CT, abdomen/pelvis; axial view; 512x512 px
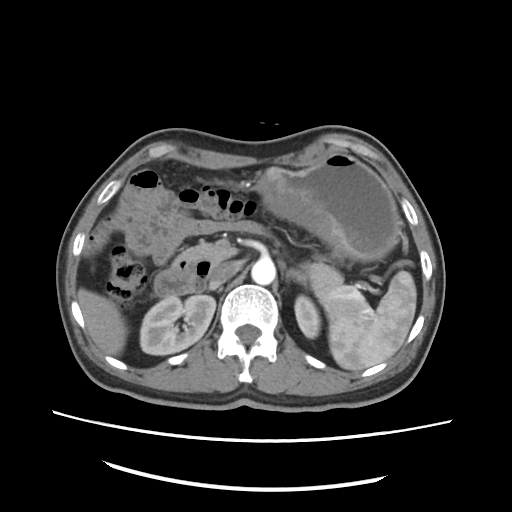 <organs><organ name="spleen" x1="329" y1="269" x2="416" y2="371"/><organ name="right kidney" x1="140" y1="295" x2="214" y2="354"/><organ name="left kidney" x1="294" y1="295" x2="321" y2="337"/><organ name="liver" x1="78" y1="288" x2="126" y2="354"/><organ name="stomach" x1="260" y1="153" x2="397" y2="260"/><organ name="aorta" x1="251" y1="258" x2="276" y2="285"/><organ name="inferior vena cava" x1="211" y1="260" x2="239" y2="285"/><organ name="pancreas" x1="171" y1="242" x2="365" y2="316"/><organ name="left adrenal gland" x1="286" y1="273" x2="289" y2="277"/><organ name="duodenum" x1="153" y1="260" x2="210" y2="296"/></organs>